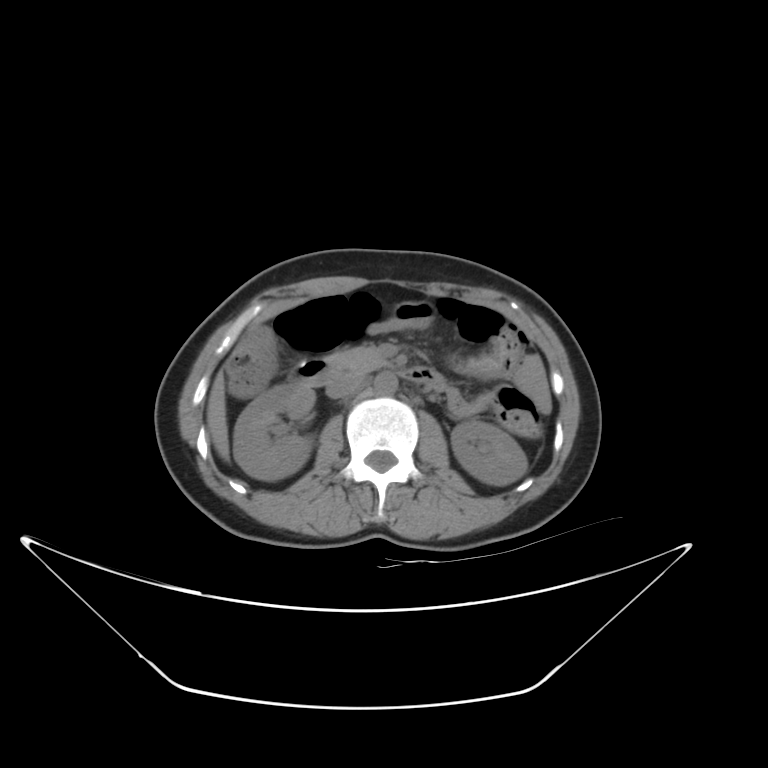 CT, abdomen/pelvis — axial view — abdomen soft-tissue window — 768x768 px — Brilliance16 scanner
{"organs":{"left kidney":[451,421,527,485],"inferior vena cava":[325,371,365,398],"duodenum":[296,359,446,391],"liver":[206,370,229,459],"aorta":[374,371,398,394],"right kidney":[233,383,315,480],"pancreas":[326,346,388,372]}}